Abdominal CT; axial view; soft-tissue window (W 400 / L 40); SOMATOM Force scanner
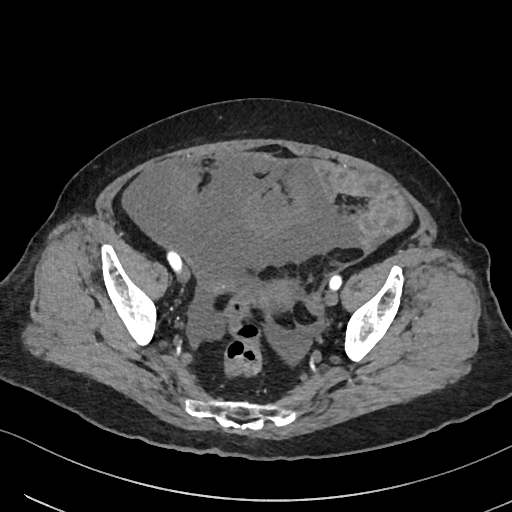
<organs><organ name="prostate/uterus" x1="265" y1="284" x2="288" y2="304"/></organs>